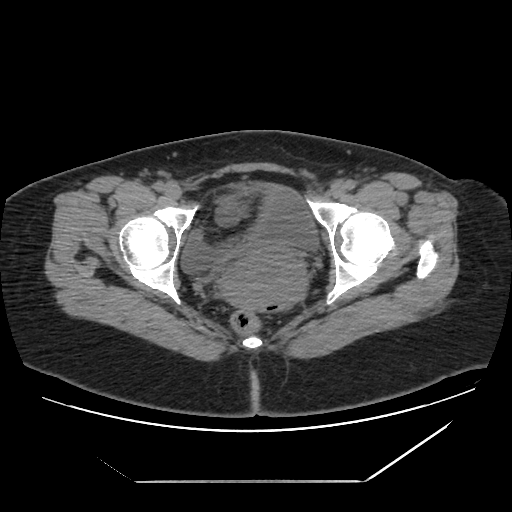 CT, abdomen/pelvis; axial view; W/L 400/40 HU
One row per box, in pixels: columns x1 and y1 give the top-left corner, x2 and y2 the bottom-right.
| organ | x1 | y1 | x2 | y2 |
|---|---|---|---|---|
| bladder | 182 | 184 | 316 | 273 |
| prostate/uterus | 222 | 252 | 301 | 309 |